CT of the abdomen reaching into the lower chest, slice just above the liver and spleen. axial plane, index 100. soft-tissue window (W 400 / L 40). 512x512 px. Aquilion ONE scanner. 15 organs annotated in this scan (a whole-scan count: organs this slice does not pass through have no box)
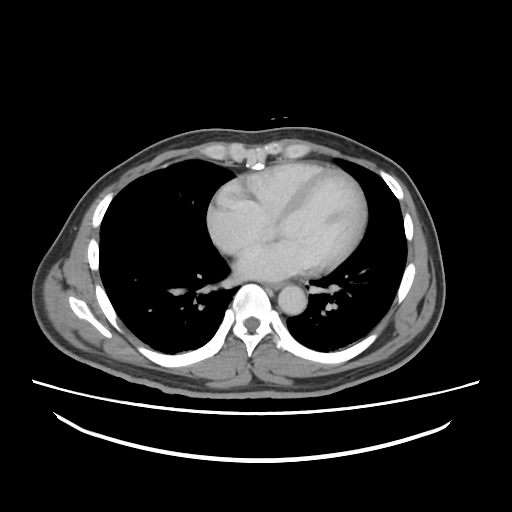 The heart and lungs are never labeled in this dataset, so they have no box on this slice.
Bounding boxes in pixels, one row per box: x1, y1 is the top-left corner and x2, y2 the bottom-right.
| organ | x1 | y1 | x2 | y2 |
|---|---|---|---|---|
| esophagus | 266 | 283 | 284 | 289 |
| aorta | 278 | 285 | 306 | 314 |